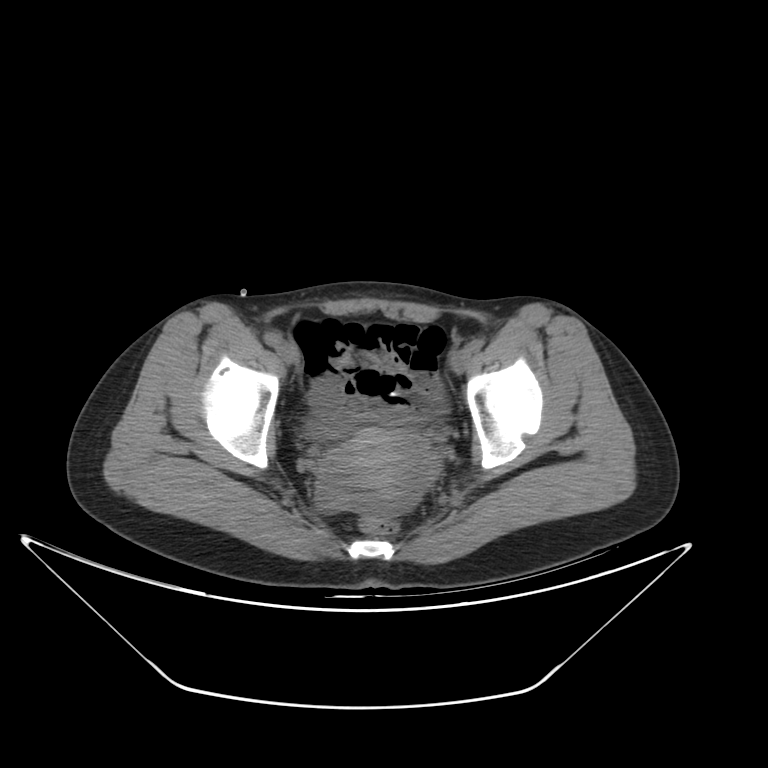
Abdominal CT — Axial slice 22/99 — 768x768 px
{"organs":{"bladder":[306,416,426,437],"prostate/uterus":[322,429,420,493]}}